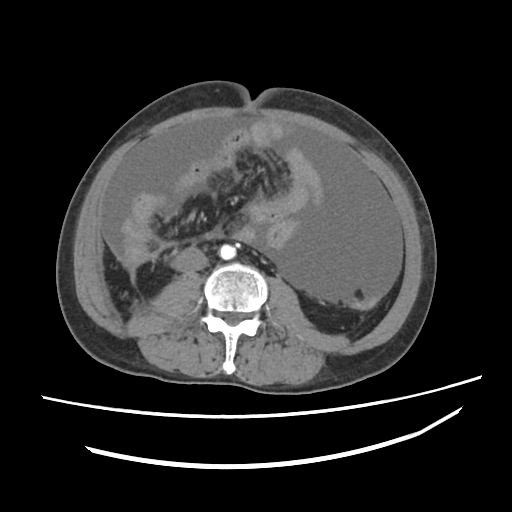
Abdominal CT; axial plane, index 55; 512x512 px; acquired on Aquilion ONE
{"organs":{"aorta":[220,244,236,260],"inferior vena cava":[177,248,208,273]}}